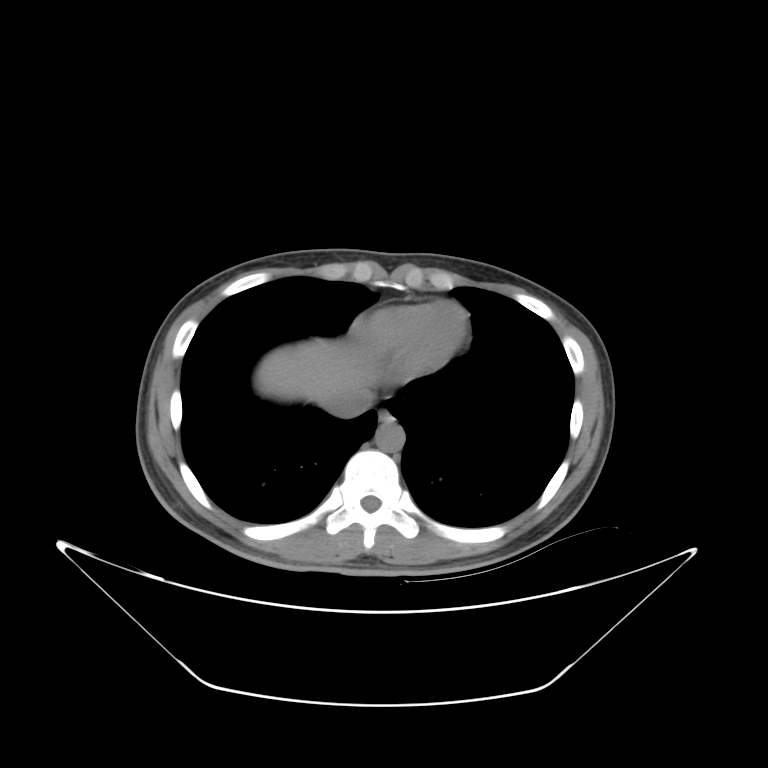

Computed tomography, abdomen · axial view · 768x768 px
<organs><organ name="esophagus" x1="380" y1="409" x2="395" y2="425"/><organ name="liver" x1="257" y1="340" x2="376" y2="404"/><organ name="aorta" x1="375" y1="425" x2="406" y2="452"/><organ name="inferior vena cava" x1="325" y1="390" x2="372" y2="417"/></organs>